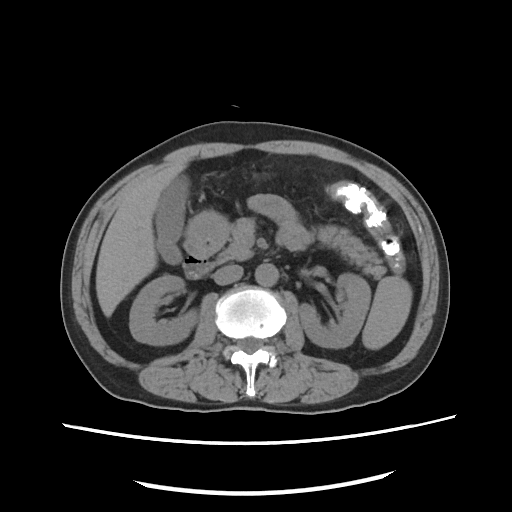
Abdominal CT — axial view
Organ boxes in pixel coordinates; each row gives the top-left (x1, y1) and bottom-right (x2, y2) corners.
| organ | x1 | y1 | x2 | y2 |
|---|---|---|---|---|
| liver | 96 | 162 | 186 | 316 |
| spleen | 362 | 276 | 412 | 349 |
| inferior vena cava | 213 | 265 | 242 | 284 |
| stomach | 183 | 212 | 230 | 260 |
| left kidney | 298 | 273 | 370 | 348 |
| pancreas | 217 | 218 | 385 | 278 |
| right kidney | 129 | 275 | 198 | 345 |
| aorta | 255 | 263 | 278 | 286 |
| duodenum | 183 | 247 | 215 | 278 |
| gall bladder | 155 | 173 | 189 | 263 |